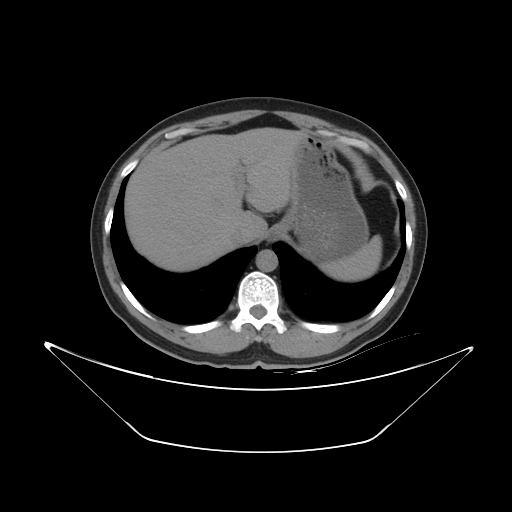 Computed tomography, abdomen · axial view · 41-year-old male patient · Brilliance16 scanner
<organs><organ name="esophagus" x1="268" y1="233" x2="279" y2="241"/><organ name="stomach" x1="270" y1="135" x2="369" y2="264"/><organ name="inferior vena cava" x1="227" y1="230" x2="244" y2="244"/><organ name="aorta" x1="256" y1="249" x2="277" y2="271"/><organ name="spleen" x1="320" y1="235" x2="382" y2="281"/><organ name="liver" x1="125" y1="127" x2="304" y2="271"/></organs>